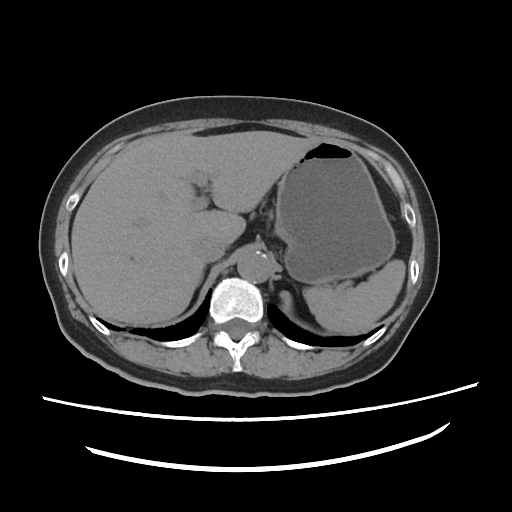 Computed tomography, abdomen · axial view · 512x512 px · acquired on Aquilion ONE · scan has 14 labeled organs (that count is for the whole scan; organs this slice misses have no box)
{"organs":{"spleen":[303,259,405,333],"liver":[71,131,321,325],"stomach":[274,139,395,284],"aorta":[237,251,272,283],"inferior vena cava":[192,237,225,262]}}